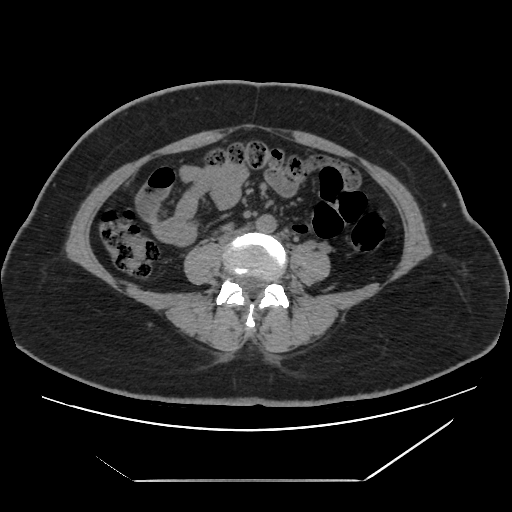

Computed tomography, abdomen · axial view · 512x512 px
{"organs":{"aorta":[255,215,276,233],"inferior vena cava":[220,228,248,242]}}